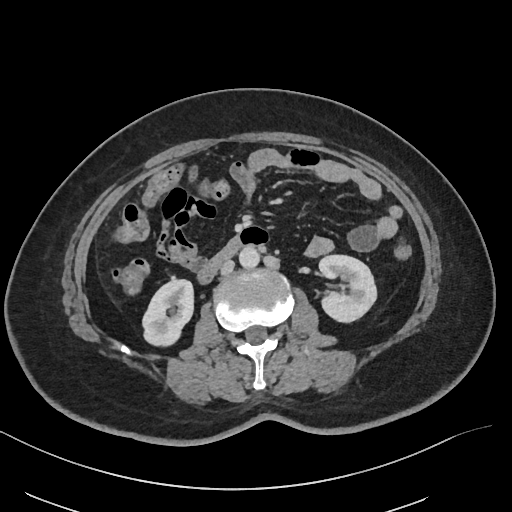 Computed tomography, abdomen; axial view; 512x512 px; acquired on SOMATOM Force; 15 organs annotated in this scan (that count is for the whole scan; organs this slice misses have no box)
<organs><organ name="right kidney" x1="141" y1="279" x2="194" y2="347"/><organ name="left kidney" x1="319" y1="255" x2="376" y2="322"/><organ name="aorta" x1="239" y1="247" x2="259" y2="269"/><organ name="inferior vena cava" x1="220" y1="259" x2="234" y2="276"/><organ name="duodenum" x1="196" y1="236" x2="244" y2="285"/></organs>